Computed tomography, abdomen. axial view. Brilliance16 scanner. 15 organs annotated in this scan (a whole-scan count: organs this slice does not pass through have no box)
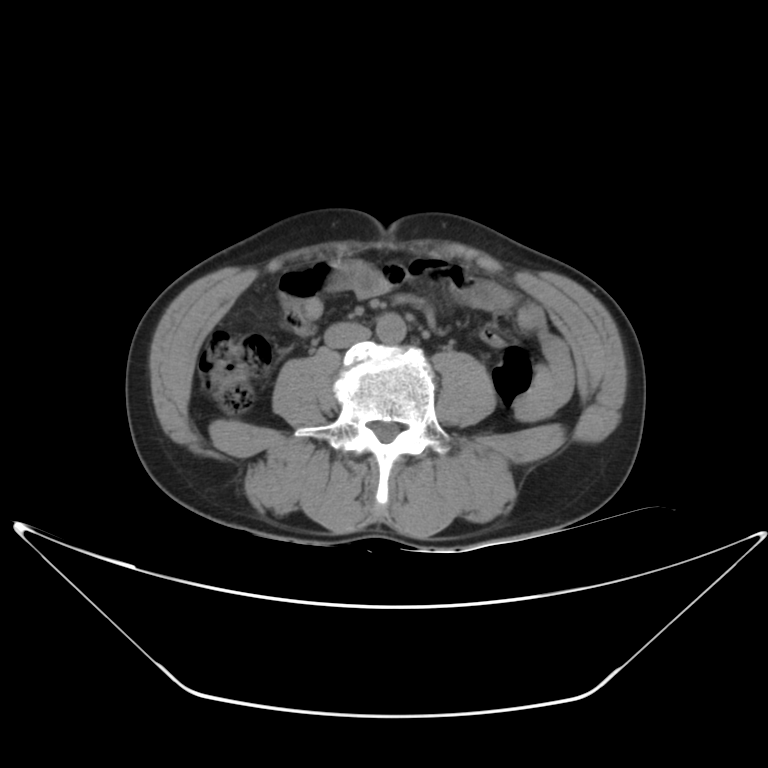

Bounding boxes as [x1, y1, x2, y2] in pixel coordinates.
aorta: [373, 309, 407, 346]
inferior vena cava: [325, 324, 372, 349]